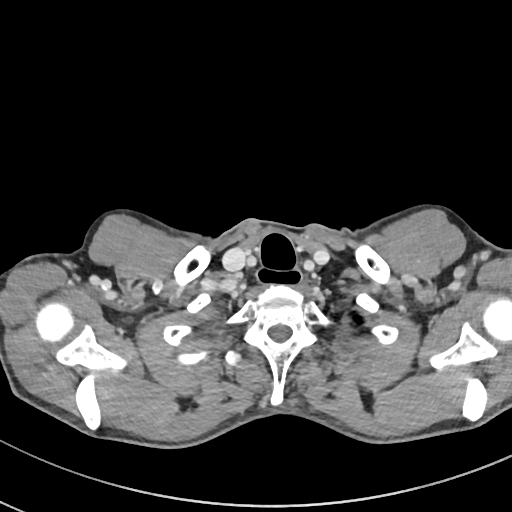
Chest-level CT slice, above the liver and spleen — Axial slice 301/306 — W/L 400/40 HU — 512x512 px
On a slice this high in the chest, this dataset labels only the esophagus and the aorta, and each is boxed only where it is labeled; the heart, lungs and other chest structures are not labeled.
Organ boxes in pixel coordinates; each row gives the top-left (x1, y1) and bottom-right (x2, y2) corners.
| organ | x1 | y1 | x2 | y2 |
|---|---|---|---|---|
| esophagus | 256 | 267 | 303 | 287 |